CT abdomen. axial plane, index 11. W/L 400/40 HU
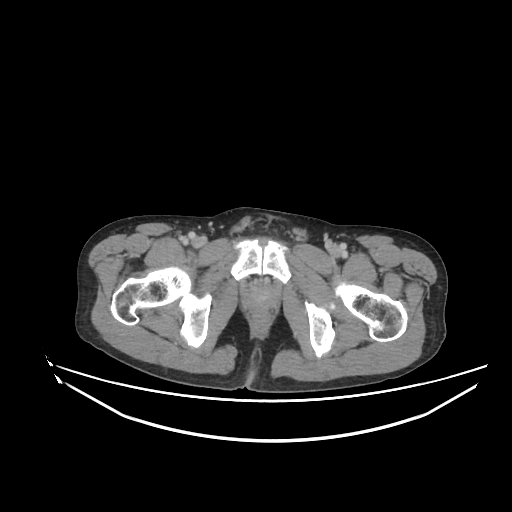

Organ boxes in pixel coordinates; each row gives the top-left (x1, y1) and bottom-right (x2, y2) corners.
| organ | x1 | y1 | x2 | y2 |
|---|---|---|---|---|
| prostate/uterus | 245 | 285 | 273 | 307 |